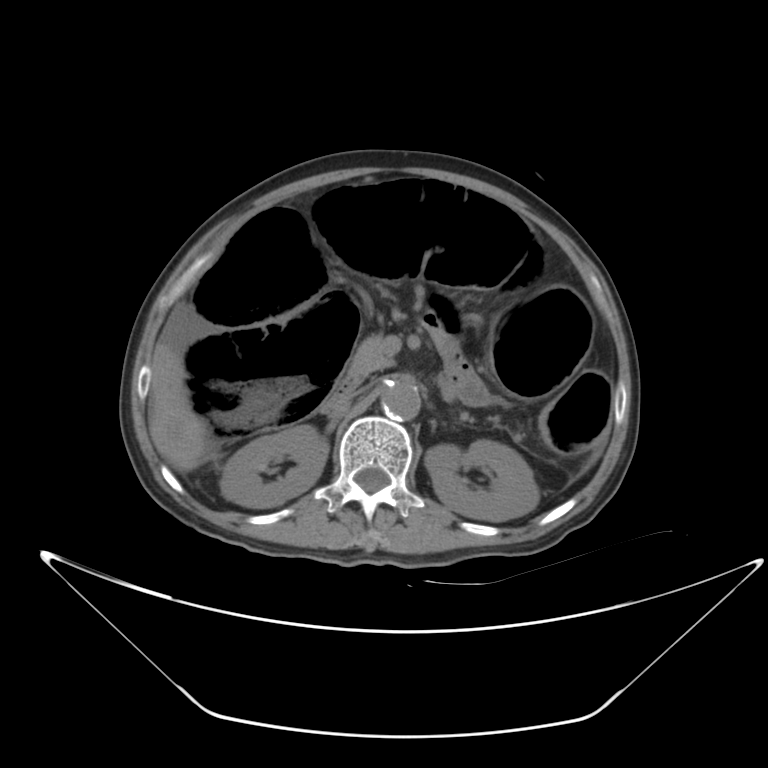
CT abdomen — Axial slice 61/95
Coordinates as <box>x1,y1,x2,y2</box> in pixels. The annotated organs in this slice are: liver at <box>148,338,209,471</box>, right kidney at <box>220,425,328,507</box>, aorta at <box>380,383,420,420</box>, pancreas at <box>345,335,393,382</box>, inferior vena cava at <box>324,392,355,412</box>, duodenum at <box>332,375,358,394</box>, left kidney at <box>424,440,539,521</box>.